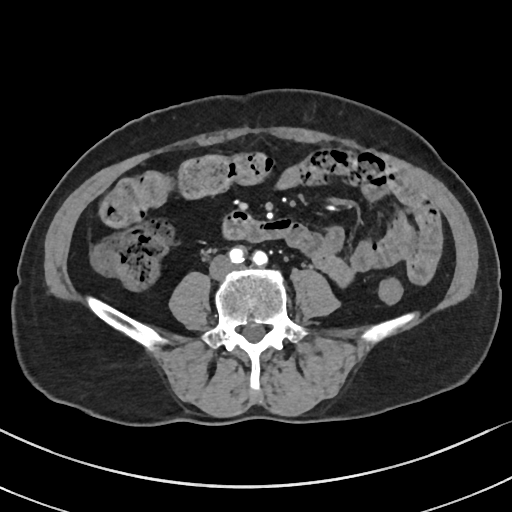 Abdominal CT; axial plane, index 100; W/L 400/40 HU
{"organs":{"aorta":[[230,248,244,262],[252,251,267,265]],"inferior vena cava":[210,262,225,276],"duodenum":[222,210,258,239]}}